Abdominal CT — axial view — 512x512 px
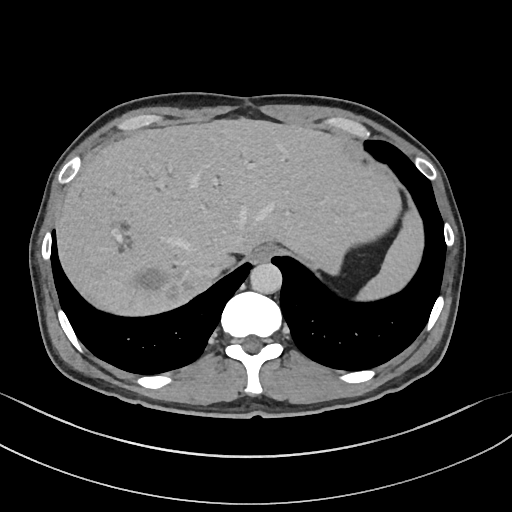
<organs><organ name="aorta" x1="250" y1="262" x2="282" y2="293"/><organ name="spleen" x1="357" y1="209" x2="423" y2="300"/><organ name="liver" x1="55" y1="118" x2="400" y2="315"/><organ name="esophagus" x1="252" y1="244" x2="279" y2="261"/><organ name="inferior vena cava" x1="192" y1="265" x2="220" y2="288"/></organs>